CT, abdomen/pelvis. axial view. soft-tissue window
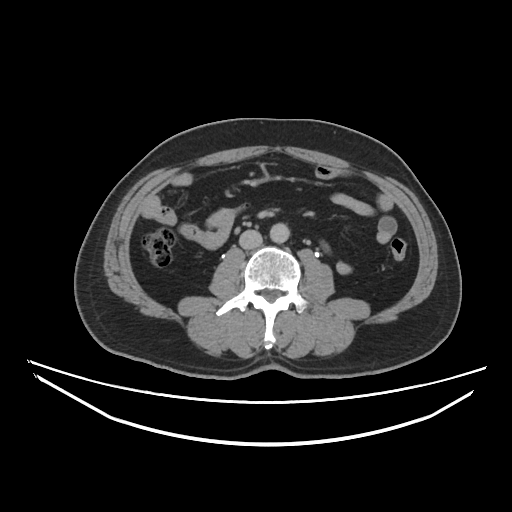 Boxes are (x1, y1, x2, y2) in pixels.
aorta: (267, 221, 290, 243)
inferior vena cava: (239, 229, 261, 248)